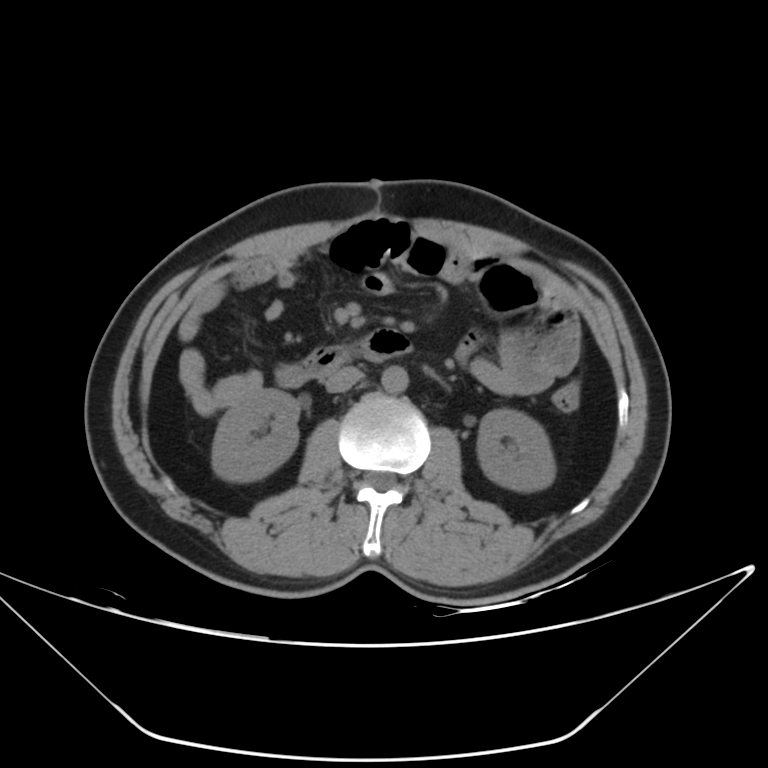
CT abdomen; axial view; soft-tissue window; 768x768 px
Boxes are (x1, y1, x2, y2) in pixels.
right kidney: (212, 389, 299, 481)
left kidney: (477, 409, 555, 491)
aorta: (381, 366, 408, 393)
inferior vena cava: (325, 366, 362, 392)
duodenum: (275, 328, 412, 387)